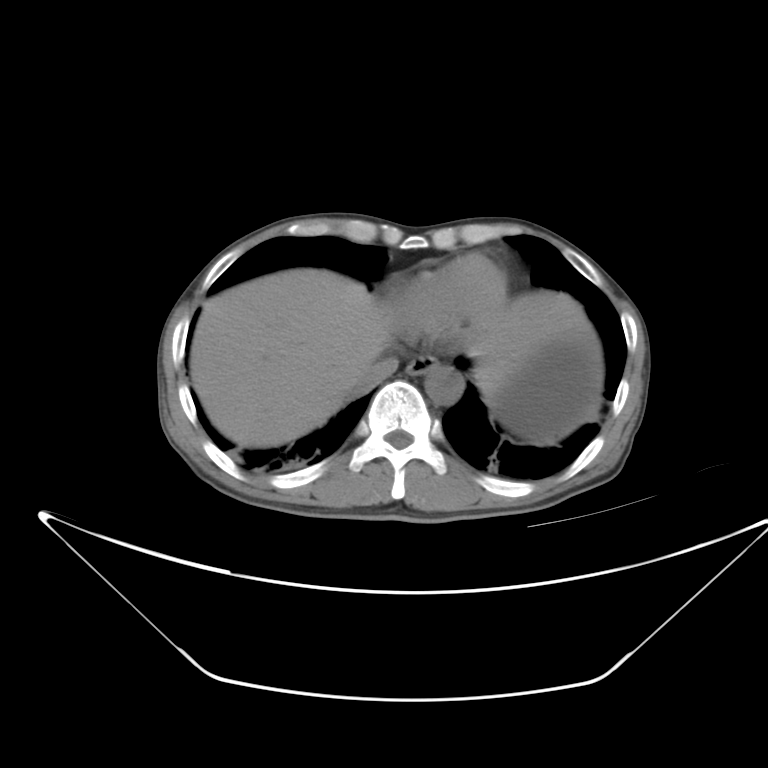

Computed tomography, abdomen — Axial slice 81/96 — soft-tissue window (W 400 / L 40)
Box edges are left/top/right/bottom in pixels. The annotated organs in this slice are: aorta at left=423, top=358, right=462, bottom=405, inferior vena cava at left=349, top=358, right=397, bottom=399, liver at left=190, top=268, right=590, bottom=447, esophagus at left=407, top=356, right=434, bottom=376, stomach at left=486, top=331, right=602, bottom=443.